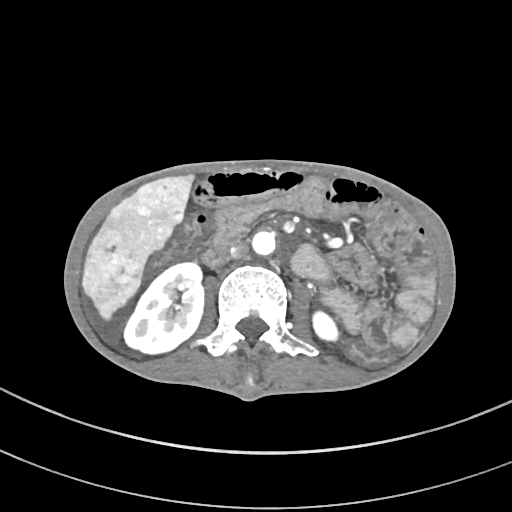 Abdominal CT — axial plane, index 119 — soft-tissue window (W 400 / L 40)
Each box given as x1,y1,x2,y2. 5 labeled organs on this slice — right kidney at x1=124, y1=263, x2=204, y2=353; aorta at x1=252, y1=230, x2=277, y2=255; left kidney at x1=313, y1=312, x2=337, y2=340; liver at x1=82, y1=176, x2=193, y2=319; inferior vena cava at x1=230, y1=241, x2=247, y2=257.